Computed tomography, abdomen; Axial slice 48/353; W/L 400/40 HU; 512x512 px
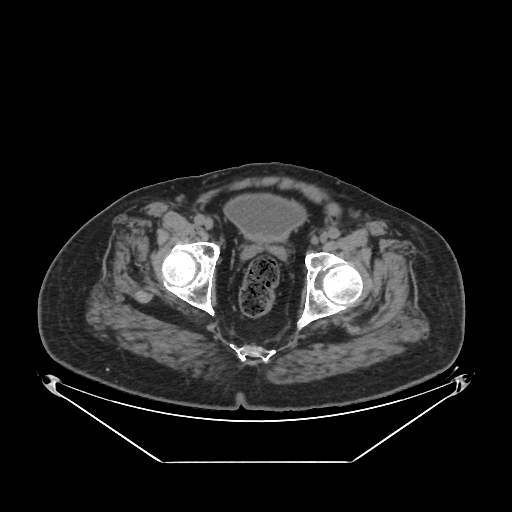 Boxes: x1 y1 x2 y2 (pixel coords, space-separated).
bladder: 225 196 303 239